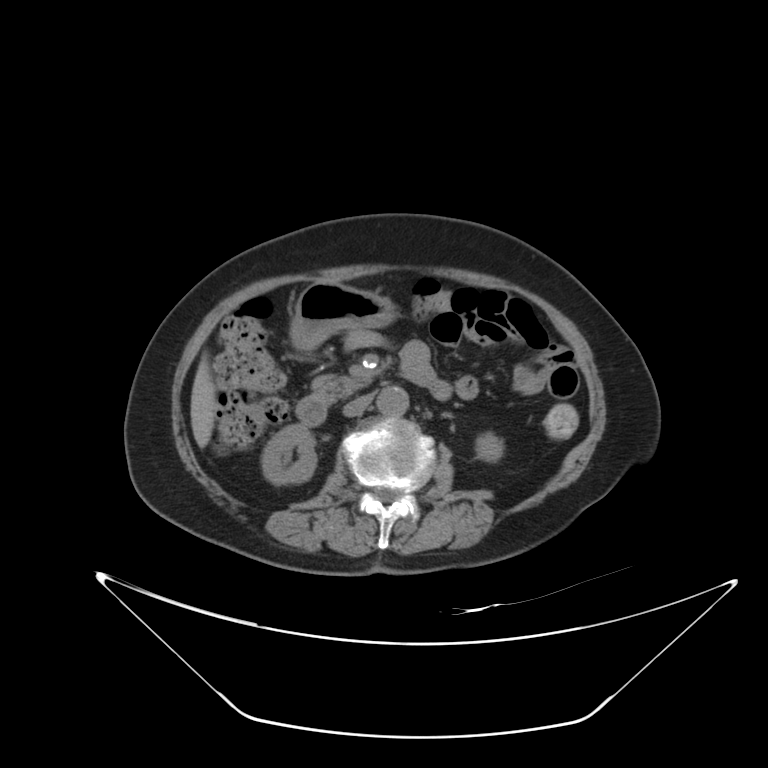

Abdominal CT. axial view. 768x768 px
<organs><organ name="right kidney" x1="261" y1="424" x2="317" y2="484"/><organ name="left kidney" x1="475" y1="433" x2="503" y2="461"/><organ name="liver" x1="190" y1="359" x2="217" y2="447"/><organ name="stomach" x1="290" y1="282" x2="396" y2="349"/><organ name="aorta" x1="377" y1="386" x2="408" y2="416"/><organ name="inferior vena cava" x1="343" y1="394" x2="372" y2="416"/><organ name="pancreas" x1="312" y1="373" x2="372" y2="400"/><organ name="duodenum" x1="296" y1="364" x2="449" y2="425"/></organs>